Computed tomography, abdomen · axial view · 768x768 px
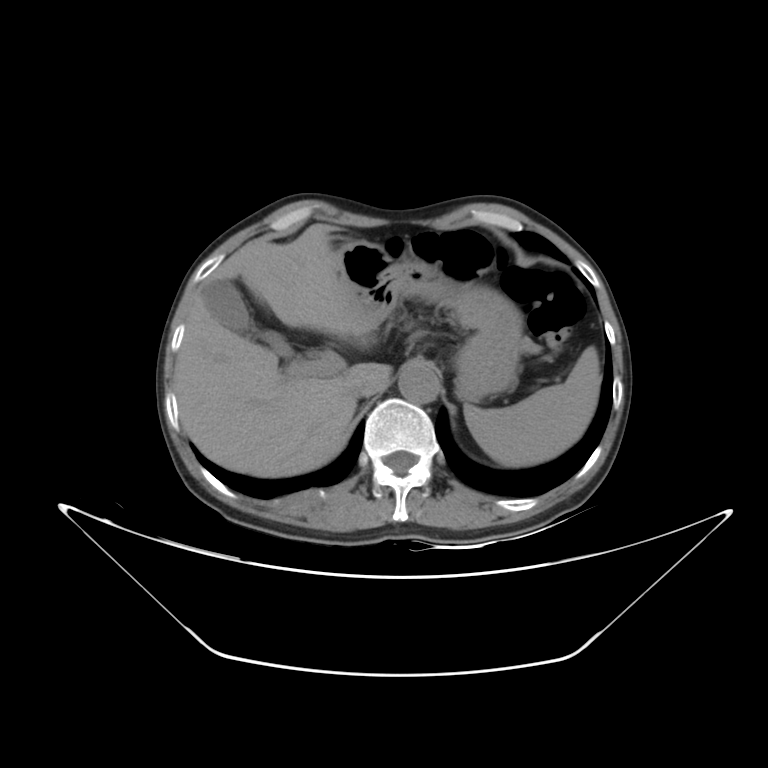 One row per box, in pixels: columns x1 and y1 give the top-left corner, x2 and y2 the bottom-right.
| organ | x1 | y1 | x2 | y2 |
|---|---|---|---|---|
| spleen | 464 | 346 | 601 | 466 |
| gall bladder | 202 | 279 | 289 | 355 |
| liver | 174 | 223 | 391 | 477 |
| stomach | 340 | 240 | 523 | 401 |
| aorta | 398 | 362 | 439 | 404 |
| inferior vena cava | 346 | 387 | 370 | 399 |
| pancreas | 521 | 336 | 538 | 353 |